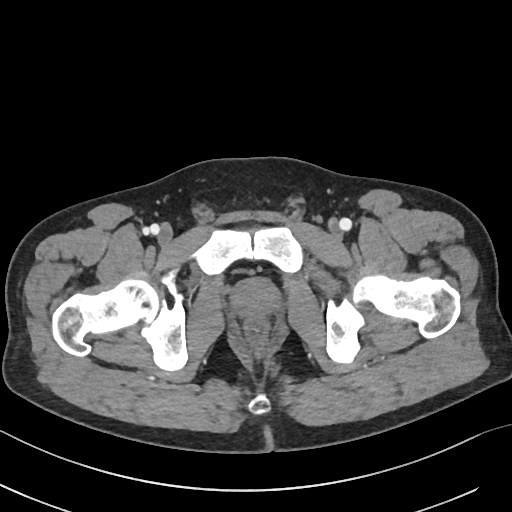 Abdominal CT — Axial slice 27/307 — SOMATOM Force scanner — scan has 15 labeled organs (counted over the whole 3D scan, not this slice; an organ is boxed only where this slice passes through it)
<organs><organ name="prostate/uterus" x1="233" y1="279" x2="277" y2="317"/></organs>